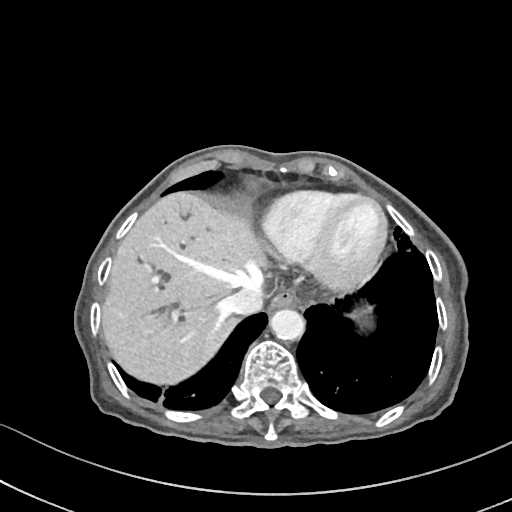
CT, abdomen/pelvis. axial plane, index 206. W/L 400/40 HU. 512x512 px
Boxes are (x1, y1, x2, y2) in pixels.
Organ bounding boxes:
- esophagus: (270, 291, 298, 310)
- liver: (102, 193, 265, 385)
- stomach: (349, 305, 373, 320)
- aorta: (271, 309, 306, 341)
- inferior vena cava: (224, 282, 268, 314)